Lower-chest slice from an abdominal CT, just above the liver and spleen — axial plane, index 233 — soft-tissue window
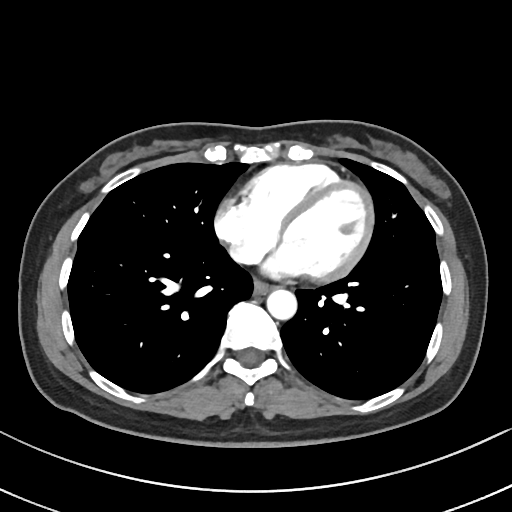
The heart and lungs are never labeled in this dataset, so they have no box on this slice. Each box given as x1,y1,x2,y2. Labeled organs on this slice: aorta at x1=266, y1=289, x2=296, y2=320, esophagus at x1=253, y1=281, x2=272, y2=294.